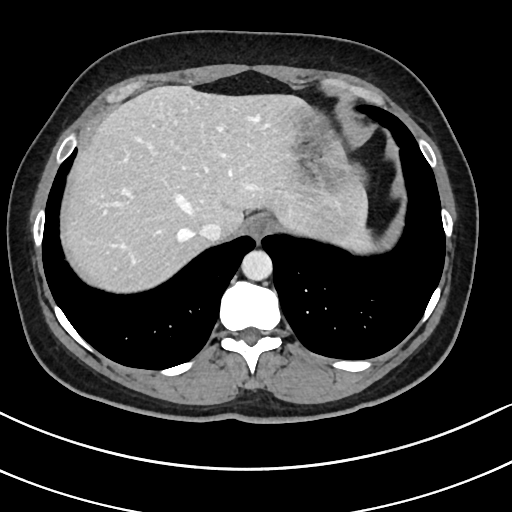 CT abdomen — axial plane, index 181 — W/L 400/40 HU
Boxes: x1:y1:x2:y2 in pixels. 6 labeled organs on this slice — spleen at 347:227:373:252; esophagus at 244:215:271:240; liver at 63:85:372:290; stomach at 292:106:356:247; aorta at 242:250:272:280; inferior vena cava at 198:224:220:240.